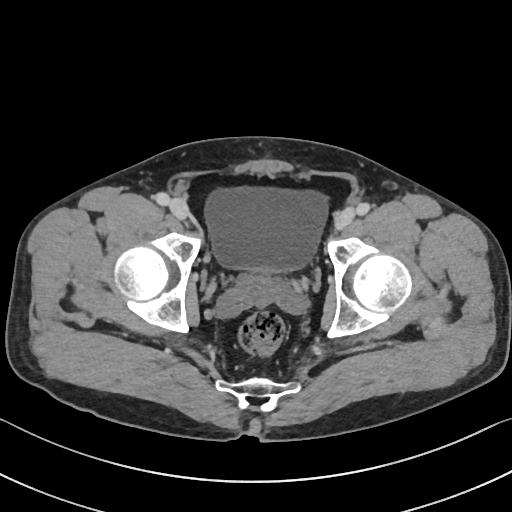
Computed tomography, abdomen; Axial slice 27/291
<organs><organ name="bladder" x1="206" y1="188" x2="327" y2="271"/></organs>